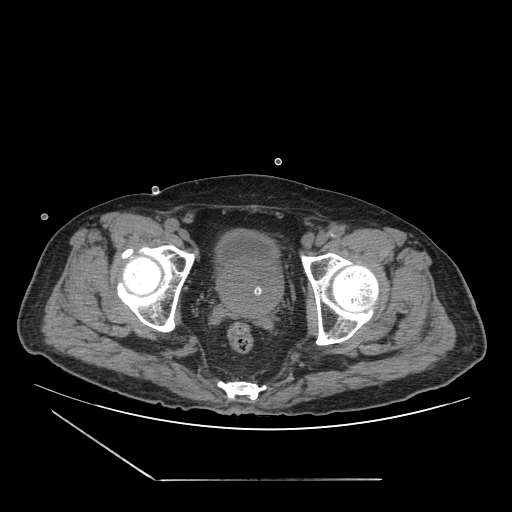 Computed tomography, abdomen · axial view · soft-tissue window · 512x512 px · scan has 15 labeled organs (that count is for the whole scan; organs this slice misses have no box)
<organs><organ name="prostate/uterus" x1="216" y1="263" x2="282" y2="318"/><organ name="bladder" x1="216" y1="229" x2="278" y2="268"/></organs>